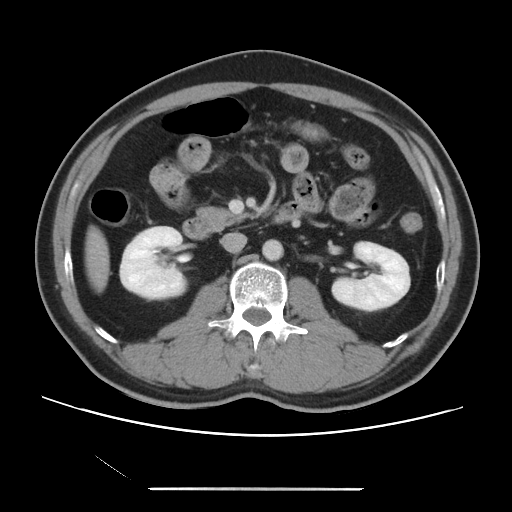

Computed tomography, abdomen · axial view · 512x512 px
Boxes are (x1, y1, x2, y2) in pixels.
right kidney: (120, 226, 186, 299)
left kidney: (332, 241, 410, 310)
liver: (84, 225, 109, 293)
aorta: (262, 239, 283, 260)
inferior vena cava: (221, 232, 247, 253)
pancreas: (196, 207, 253, 228)
duodenum: (182, 201, 302, 239)